Computed tomography, abdomen · axial plane, index 21
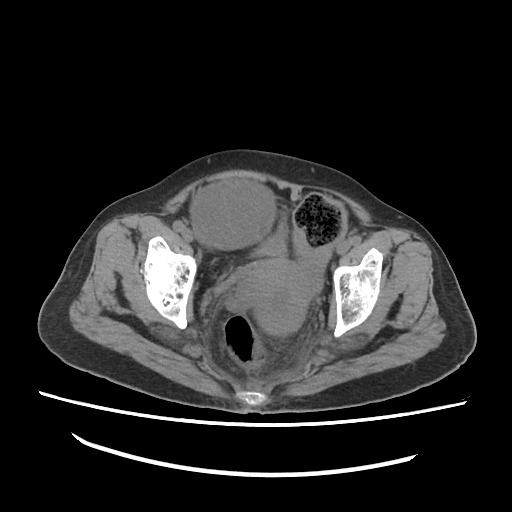

Box edges are left/top/right/bottom in pixels.
Organ bounding boxes:
- bladder: left=250, top=220, right=287, bottom=257
- prostate/uterus: left=243, top=260, right=312, bottom=334